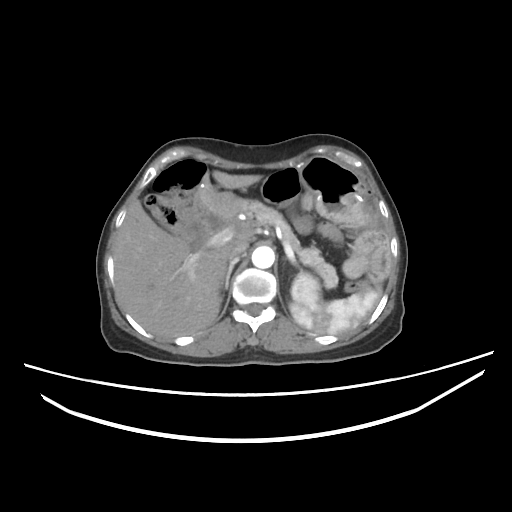
Abdominal CT. axial view
Boxes: x1 y1 x2 y2 (pixel coords, space-separated). Labeled organs on this slice: stomach at 298 157 360 220, aorta at 251 245 274 267, inferior vena cava at 227 242 249 261, duodenum at 186 196 225 253, spleen at 289 288 380 334, left kidney at 291 274 322 306, liver at 114 170 260 337, right adrenal gland at 224 256 239 288, pancreas at 242 198 338 288.